CT abdomen · axial view · abdomen soft-tissue window · 512x512 px
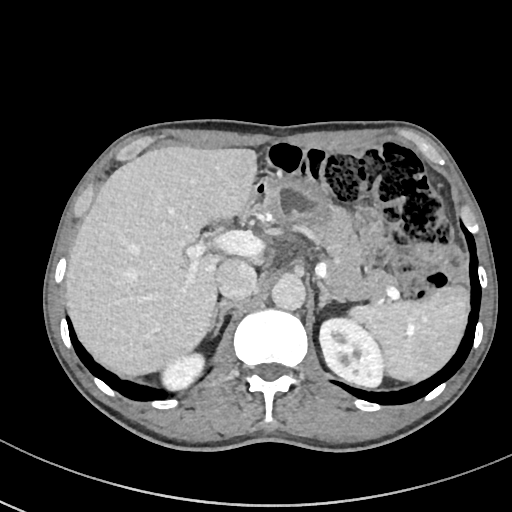
<organs><organ name="inferior vena cava" x1="215" y1="258" x2="257" y2="299"/><organ name="duodenum" x1="240" y1="179" x2="266" y2="222"/><organ name="left kidney" x1="319" y1="315" x2="385" y2="387"/><organ name="stomach" x1="252" y1="178" x2="334" y2="227"/><organ name="liver" x1="65" y1="146" x2="257" y2="376"/><organ name="pancreas" x1="306" y1="206" x2="392" y2="299"/><organ name="aorta" x1="271" y1="275" x2="305" y2="309"/><organ name="left adrenal gland" x1="316" y1="279" x2="344" y2="307"/><organ name="right adrenal gland" x1="210" y1="300" x2="235" y2="332"/><organ name="right kidney" x1="162" y1="355" x2="206" y2="391"/><organ name="spleen" x1="348" y1="286" x2="469" y2="381"/></organs>